CT, abdomen/pelvis. axial view. 56-year-old male patient. acquired on Brilliance16. 14 organs annotated in this scan (a whole-scan count: organs this slice does not pass through have no box)
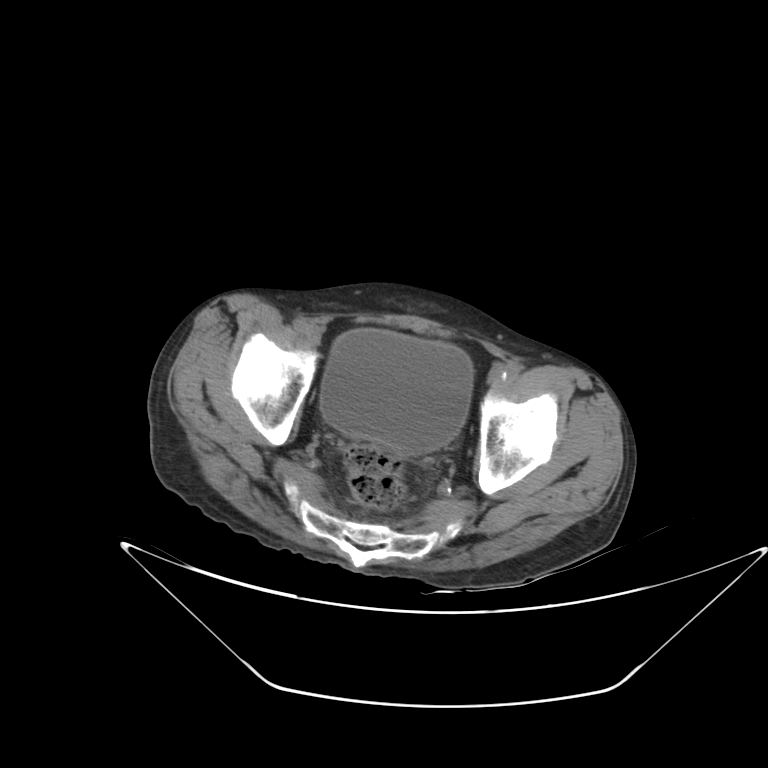 Bounding boxes as [x1, y1, x2, y2] in pixel coordinates.
Organ bounding boxes:
- bladder: [320, 329, 473, 454]